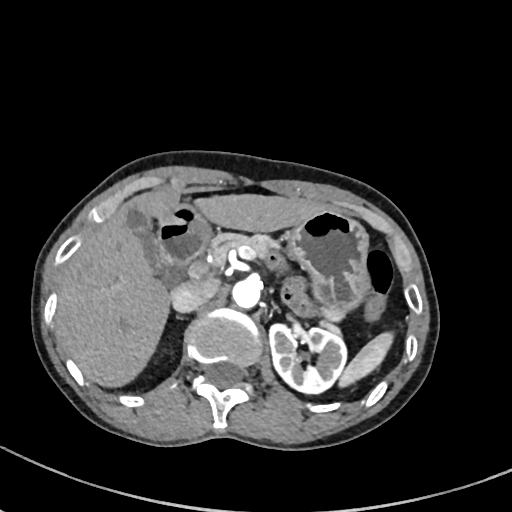
CT abdomen — axial plane, index 160 — 512x512 px
Bounding boxes as [x1, y1, x2, y2] in pixel coordinates.
Organ bounding boxes:
- aorta: [232, 279, 260, 308]
- stomach: [157, 204, 369, 315]
- gall bladder: [128, 210, 162, 275]
- inferior vena cava: [170, 278, 218, 312]
- duodenum: [157, 223, 209, 269]
- spleen: [339, 332, 393, 386]
- left kidney: [269, 324, 346, 393]
- pancreas: [210, 233, 341, 336]
- liver: [57, 188, 327, 387]